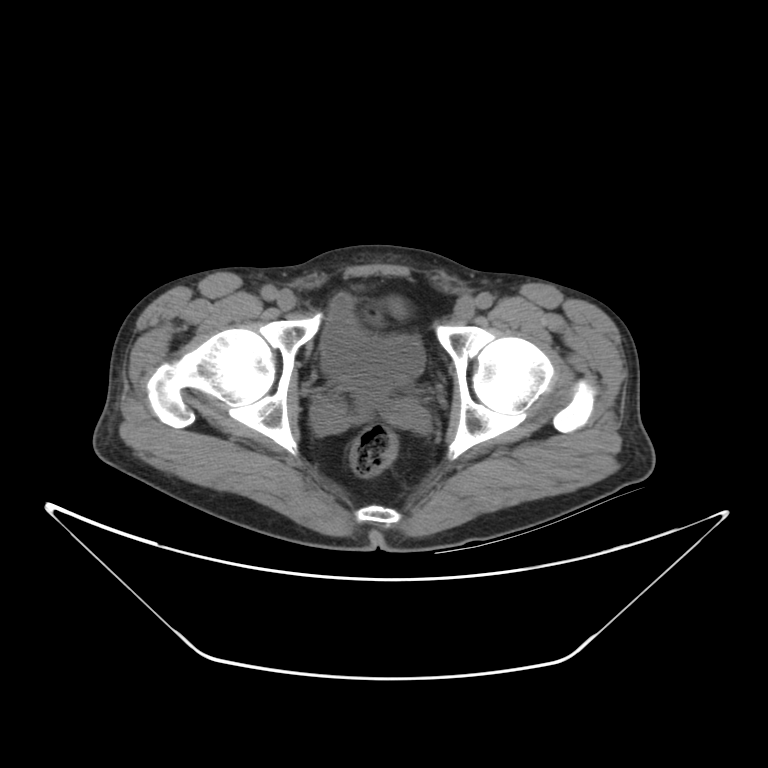

CT abdomen · axial view · scan has 15 labeled organs (a whole-scan count: organs this slice does not pass through have no box)
Boxes: x1 y1 x2 y2 (pixel coords, space-separated).
bladder: 322 295 426 403